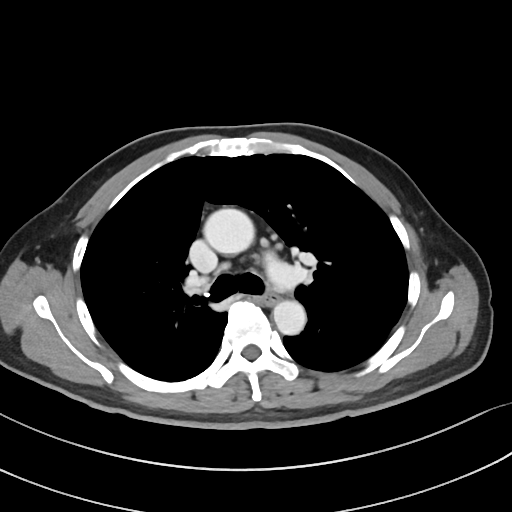
Abdominal CT reaching into the chest; this slice is in the chest · axial view · soft-tissue window, W/L 400/40
At this level of the chest no structure but the esophagus and the aorta has a label in this dataset, and those two are boxed only where they are labeled.
Boxes: x1:y1:x2:y2 in pixels.
aorta: 203:208:254:254
aorta: 273:300:306:335
esophagus: 260:290:279:305